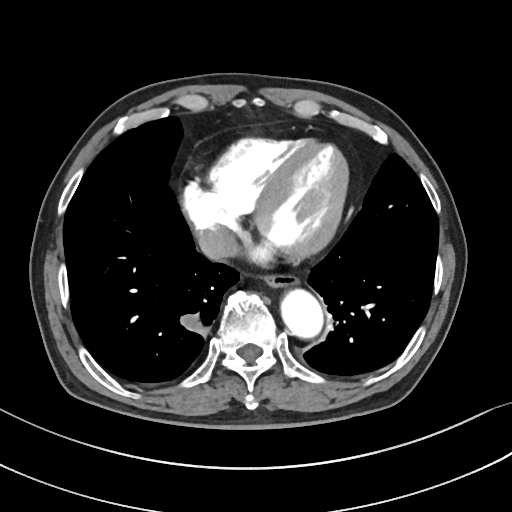
Lower-chest slice from an abdominal CT, just above the liver and spleen. axial view. soft-tissue window
The heart and lungs are never labeled in this dataset, so they have no box on this slice.
One row per box, in pixels: columns x1 and y1 give the top-left corner, x2 and y2 the bottom-right.
| organ | x1 | y1 | x2 | y2 |
|---|---|---|---|---|
| esophagus | 264 | 273 | 297 | 287 |
| aorta | 280 | 289 | 322 | 337 |
| inferior vena cava | 196 | 226 | 237 | 260 |